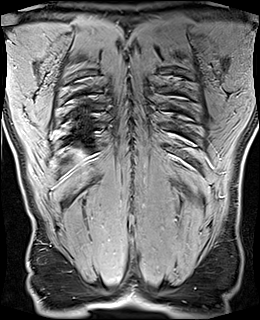

Abdominal MRI. coronal view
Bounding boxes as [x1, y1, x2, y2] in pixel coordinates.
liver: [79, 153, 82, 157]